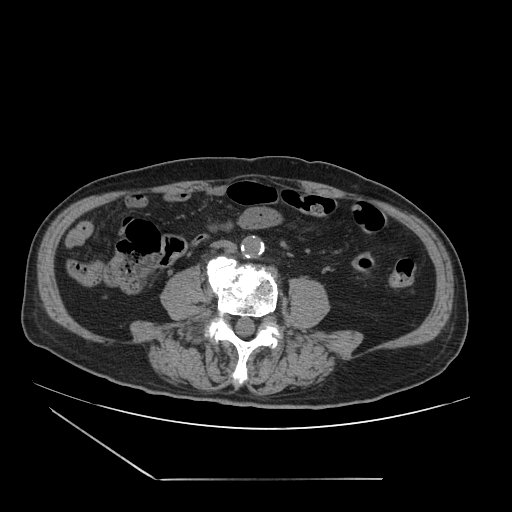 Abdominal CT; axial view; W/L 400/40 HU
Each box given as x1,y1,x2,y2.
aorta: x1=241, y1=235, x2=265, y2=257
inferior vena cava: x1=212, y1=239, x2=236, y2=250